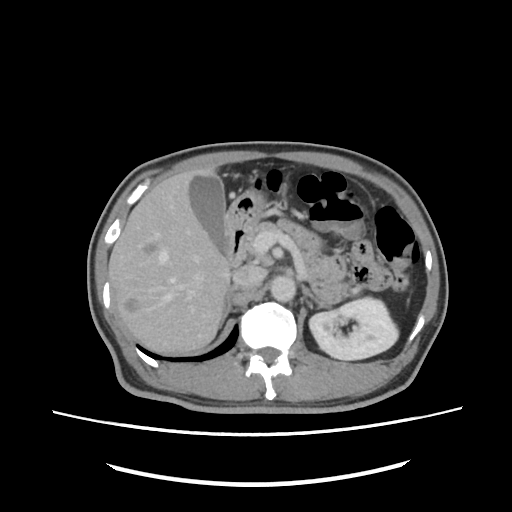

Computed tomography, abdomen — axial view — soft-tissue window (W 400 / L 40) — 54-year-old male patient
Bounding boxes in pixels, one row per box: x1, y1 is the top-left corner and x2, y2 the bottom-right.
| organ | x1 | y1 | x2 | y2 |
|---|---|---|---|---|
| left kidney | 309 | 298 | 398 | 360 |
| gall bladder | 189 | 174 | 227 | 251 |
| liver | 108 | 167 | 231 | 353 |
| stomach | 226 | 191 | 265 | 232 |
| aorta | 270 | 276 | 295 | 302 |
| inferior vena cava | 232 | 265 | 265 | 289 |
| pancreas | 245 | 222 | 280 | 261 |
| right adrenal gland | 220 | 287 | 236 | 327 |
| left adrenal gland | 303 | 287 | 320 | 304 |
| duodenum | 225 | 227 | 248 | 267 |